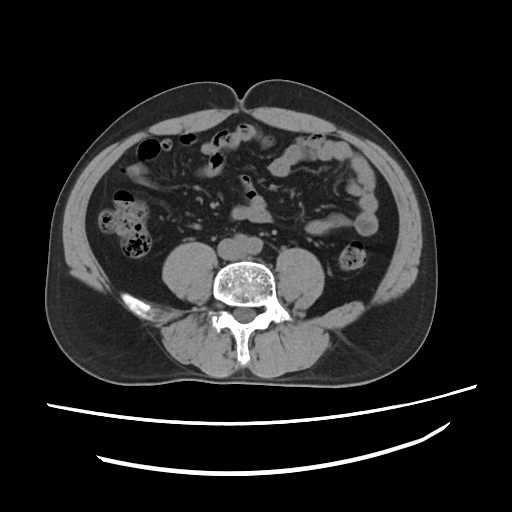
CT, abdomen/pelvis · axial plane, index 44 · 45-year-old male patient · Aquilion ONE scanner · 15 organs annotated in this scan (a whole-scan count: organs this slice does not pass through have no box)
Boxes: x1 y1 x2 y2 (pixel coords, space-separated).
inferior vena cava: 218 238 244 259